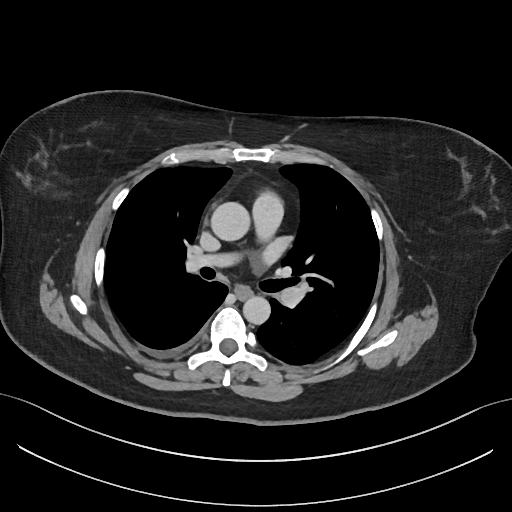 Chest-level CT slice, above the liver and spleen; axial view; soft-tissue window (W 400 / L 40)
At this level of the chest this dataset labels only the esophagus and the aorta, and each is boxed only where it is labeled; the heart and lungs are never labeled.
Organ boxes in pixel coordinates; each row gives the top-left (x1, y1) and bottom-right (x2, y2) corners.
| organ | x1 | y1 | x2 | y2 |
|---|---|---|---|---|
| esophagus | 235 | 287 | 252 | 298 |
| aorta | 211 | 202 | 250 | 240 |
| aorta | 243 | 296 | 270 | 324 |